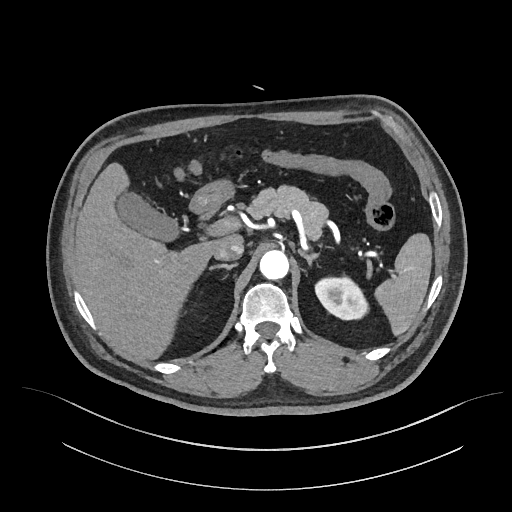 CT abdomen. Axial slice 189/333
Organ boxes in pixel coordinates; each row gives the top-left (x1, y1) and bottom-right (x2, y2) corners.
| organ | x1 | y1 | x2 | y2 |
|---|---|---|---|---|
| spleen | 372 | 233 | 431 | 335 |
| left kidney | 315 | 277 | 365 | 320 |
| gall bladder | 117 | 193 | 176 | 239 |
| liver | 74 | 161 | 245 | 359 |
| stomach | 191 | 178 | 236 | 211 |
| aorta | 259 | 250 | 288 | 280 |
| inferior vena cava | 214 | 244 | 243 | 260 |
| pancreas | 249 | 187 | 327 | 239 |
| right adrenal gland | 208 | 263 | 236 | 274 |
| left adrenal gland | 299 | 251 | 319 | 267 |